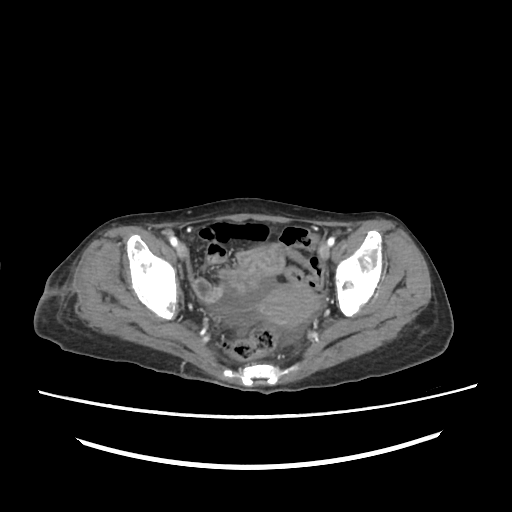
CT abdomen — axial plane, index 16 — soft-tissue window — Aquilion ONE scanner — 15 organs annotated in this scan (that count is for the whole scan; organs this slice misses have no box)
Boxes are (x1, y1, x2, y2) in pixels.
Organ bounding boxes:
- prostate/uterus: (259, 284, 319, 327)